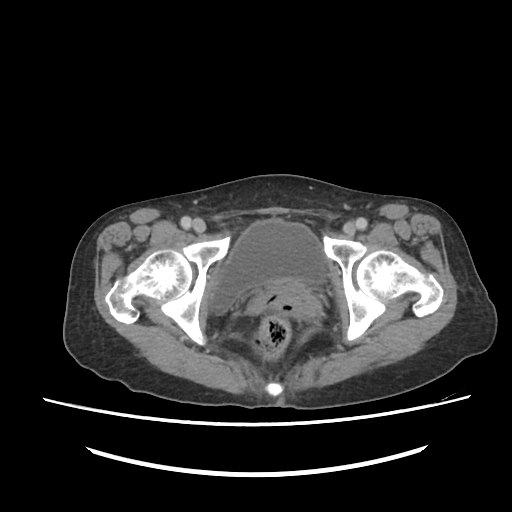 CT abdomen — axial view
Boxes are (x1, y1, x2, y2) in pixels.
bladder: (208, 222, 326, 315)